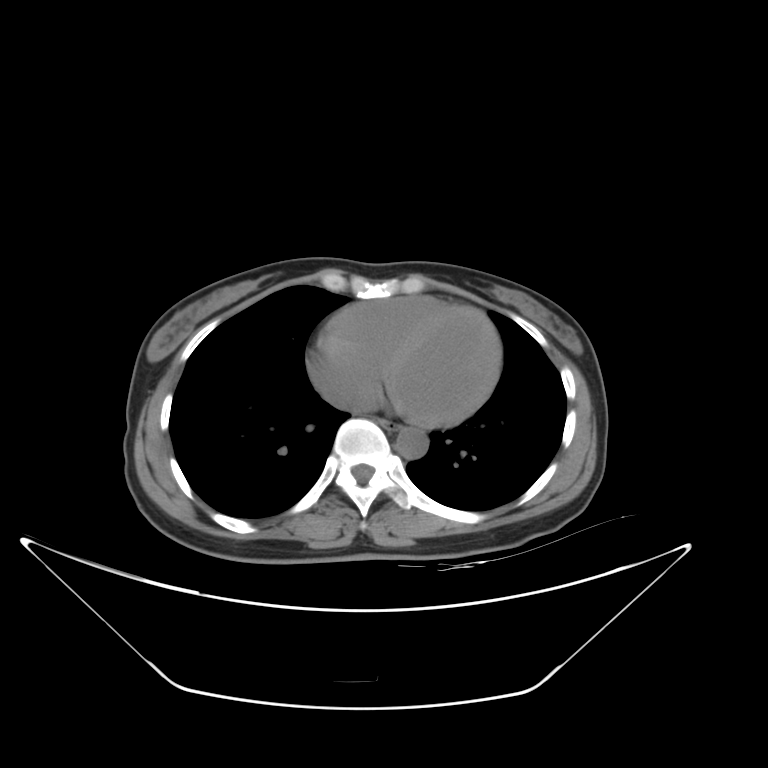

Lower-chest slice from an abdominal CT, just above the liver and spleen; axial view; soft-tissue window; scan has 15 labeled organs (that count is for the whole scan; organs this slice misses have no box)
No part of the heart or lungs is labeled in this dataset, so neither has a box here. Boxes: x1:y1:x2:y2 in pixels. 2 labeled organs on this slice — esophagus at 378:419:399:432; aorta at 395:427:428:459.